CT, abdomen/pelvis — axial view — soft-tissue window — 512x512 px
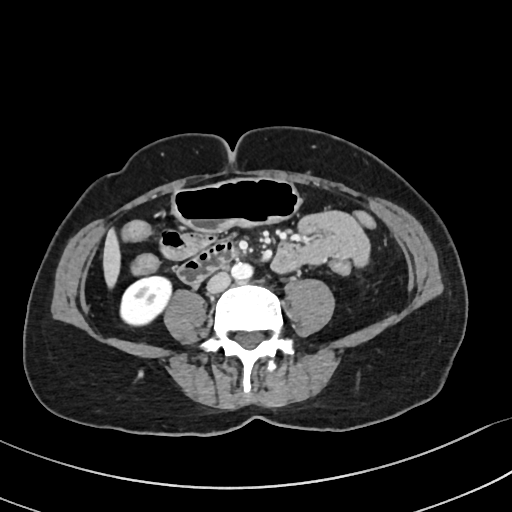 One row per box, in pixels: columns x1 and y1 give the top-left corner, x2 and y2 the bottom-right.
| organ | x1 | y1 | x2 | y2 |
|---|---|---|---|---|
| liver | 102 | 228 | 120 | 287 |
| inferior vena cava | 206 | 272 | 230 | 294 |
| duodenum | 179 | 240 | 235 | 285 |
| aorta | 231 | 263 | 251 | 280 |
| right kidney | 118 | 275 | 171 | 323 |
| stomach | 170 | 179 | 301 | 232 |